Abdominal CT reaching into the chest; this slice is in the chest. Axial slice 103/112. soft-tissue window (W 400 / L 40)
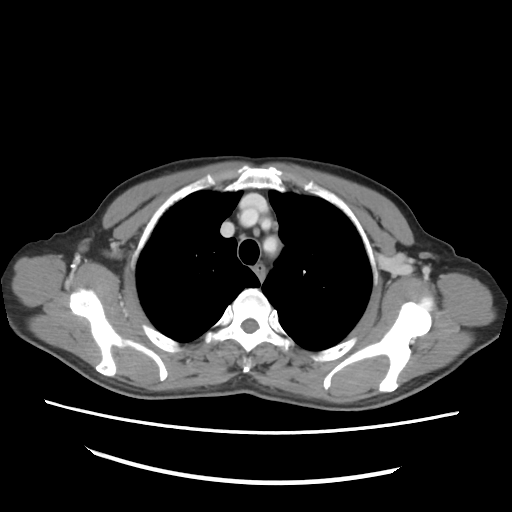

At this level of the chest this dataset labels only the esophagus and the aorta, and each is boxed only where it is labeled; the heart and lungs are never labeled.
Each box given as x1,y1,x2,y2.
Organ bounding boxes:
- esophagus: x1=253, y1=265, x2=264, y2=281
- aorta: x1=264, y1=238, x2=275, y2=247